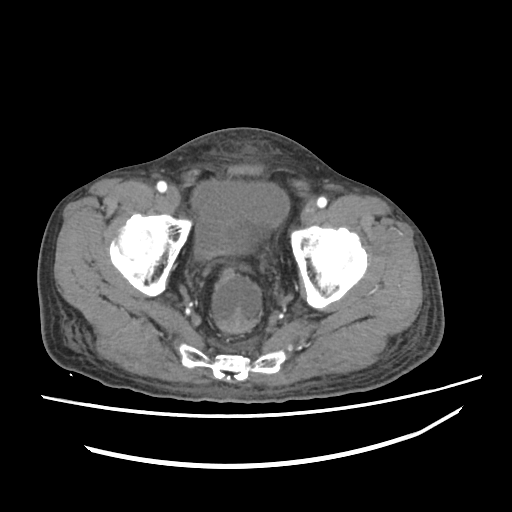
Abdominal CT. Axial slice 29/103. soft-tissue window (W 400 / L 40)
Bounding boxes in pixels, one row per box: x1, y1 is the top-left corner and x2, y2 the bottom-right.
| organ | x1 | y1 | x2 | y2 |
|---|---|---|---|---|
| bladder | 191 | 182 | 288 | 260 |